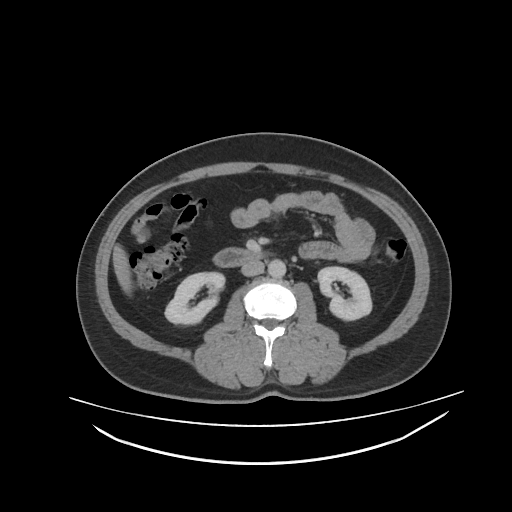
Abdominal CT. axial view
Boxes: x1:y1:x2:y2 in pixels.
Organ bounding boxes:
- inferior vena cava: 241:261:263:275
- aorta: 267:259:285:277
- duodenum: 212:248:264:266
- left kidney: 318:266:372:320
- liver: 113:243:129:291
- right kidney: 166:272:224:324